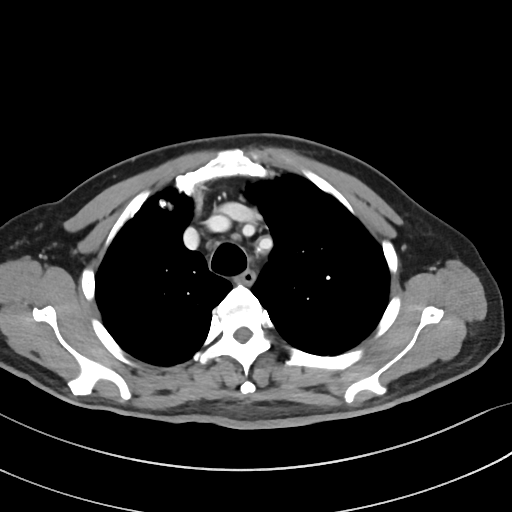
Chest-level CT slice, above the liver and spleen · axial view · soft-tissue window, W/L 400/40 · scan has 15 labeled organs (a whole-scan count: organs this slice does not pass through have no box)
At this level of the chest no structure but the esophagus and the aorta has a label in this dataset, and those two are boxed only where they are labeled.
One row per box, in pixels: columns x1 and y1 give the top-left corner, x2 and y2 the bottom-right.
| organ | x1 | y1 | x2 | y2 |
|---|---|---|---|---|
| esophagus | 236 | 271 | 255 | 284 |